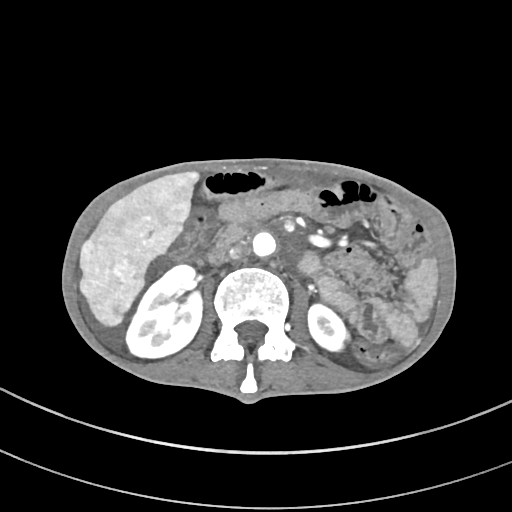 Abdominal CT; Axial slice 123/218; W/L 400/40 HU; SOMATOM Force scanner
<organs><organ name="right kidney" x1="125" y1="265" x2="202" y2="356"/><organ name="left kidney" x1="306" y1="303" x2="352" y2="352"/><organ name="liver" x1="80" y1="171" x2="200" y2="326"/><organ name="aorta" x1="253" y1="231" x2="278" y2="256"/><organ name="inferior vena cava" x1="229" y1="242" x2="247" y2="258"/></organs>